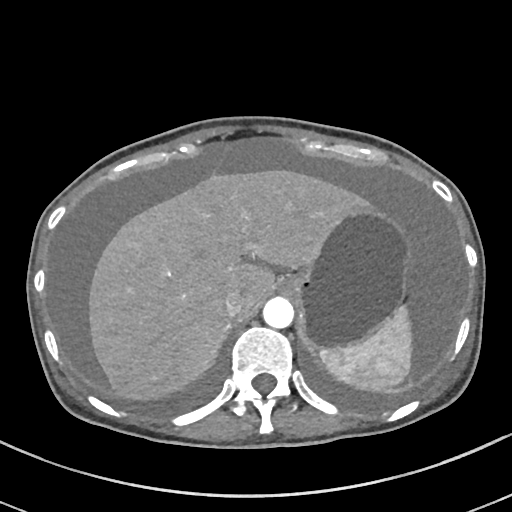 Abdominal CT · Axial slice 189/237 · 512x512 px
{"organs":{"spleen":[320,305,412,392],"liver":[89,169,365,400],"stomach":[285,205,409,351],"aorta":[263,297,293,328],"inferior vena cava":[224,288,247,317]}}